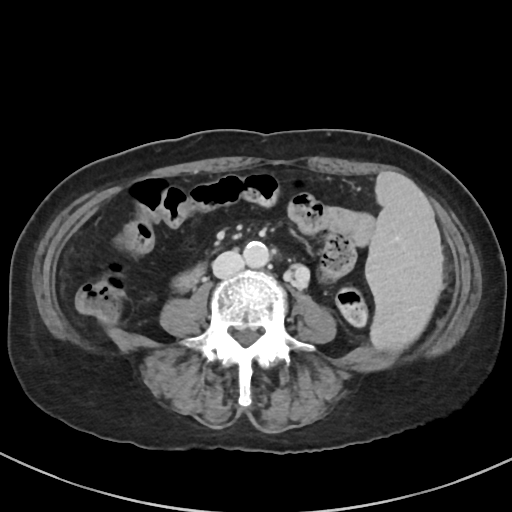 CT, abdomen/pelvis — axial view — W/L 400/40 HU — 512x512 px — acquired on SOMATOM Force
Each box given as x1,y1,x2,y2.
spleen: x1=365, y1=171, x2=443, y2=353
aorta: x1=243, y1=241, x2=269, y2=267
inferior vena cava: x1=212, y1=250, x2=244, y2=278
duodenum: x1=176, y1=266, x2=204, y2=289